CT, abdomen/pelvis. axial view. soft-tissue window. 768x768 px. Brilliance16 scanner
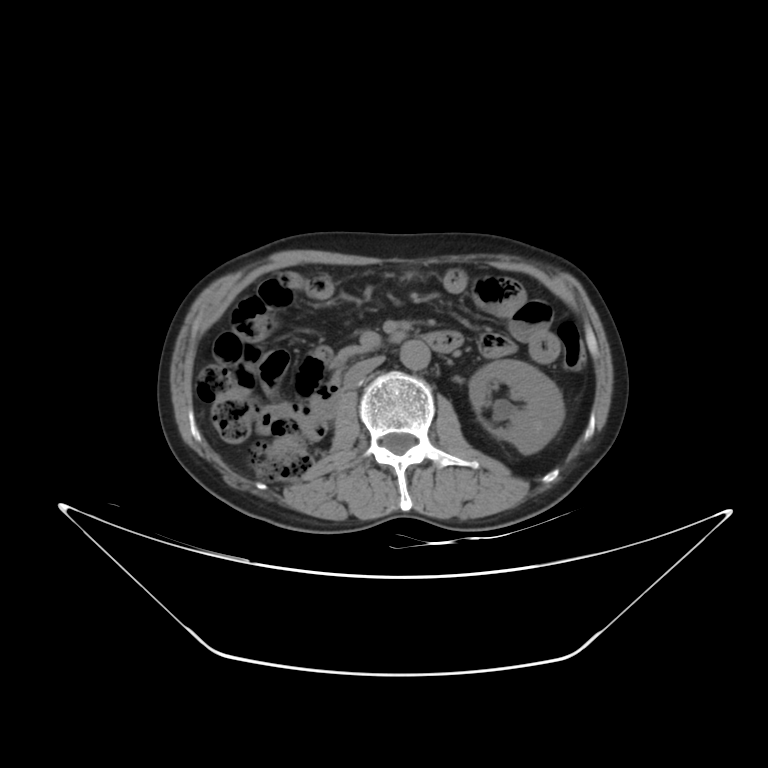
<organs><organ name="left kidney" x1="469" y1="359" x2="564" y2="454"/><organ name="aorta" x1="400" y1="340" x2="430" y2="370"/><organ name="inferior vena cava" x1="344" y1="356" x2="384" y2="389"/><organ name="pancreas" x1="338" y1="346" x2="362" y2="363"/><organ name="duodenum" x1="310" y1="331" x2="462" y2="417"/></organs>